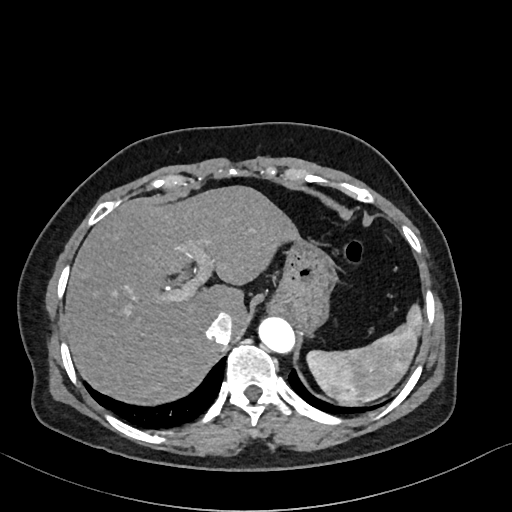
Computed tomography, abdomen — axial view — 512x512 px
{"organs":{"spleen":[307,304,422,406],"stomach":[269,239,335,332],"aorta":[257,316,295,354],"liver":[64,185,298,406],"inferior vena cava":[206,312,233,344]}}